CT, abdomen/pelvis. Axial slice 40/78. soft-tissue window (W 400 / L 40). 512x512 px. scan has 15 labeled organs (a whole-scan count: organs this slice does not pass through have no box)
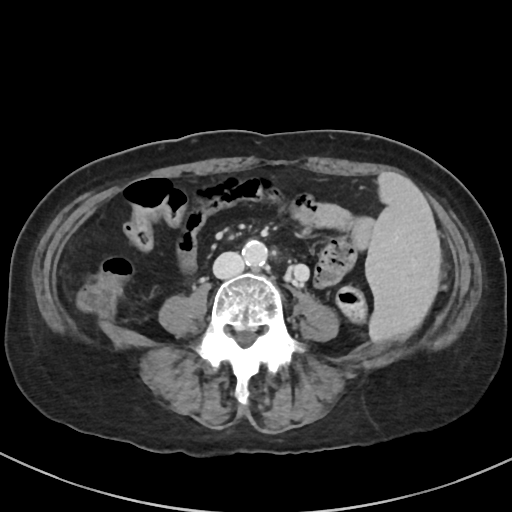

Box edges are left/top/right/bottom in pixels.
Organ bounding boxes:
- spleen: left=365, top=172, right=440, bottom=344
- inferior vena cava: left=213, top=252, right=244, bottom=278
- aorta: left=242, top=240, right=267, bottom=266